CT abdomen; axial view; abdomen soft-tissue window; acquired on SOMATOM Force; scan has 15 labeled organs (counted over the whole 3D scan, not this slice; an organ is boxed only where this slice passes through it)
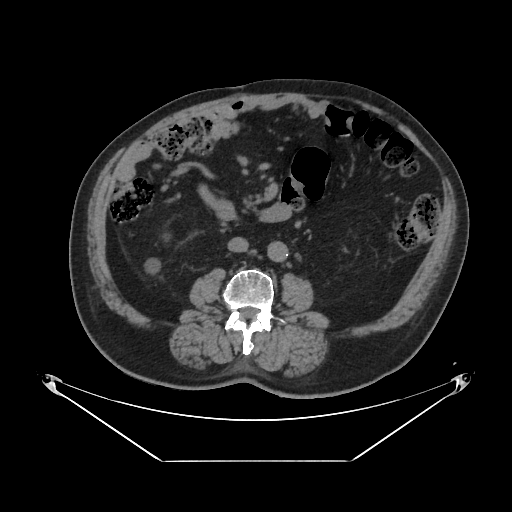

<organs><organ name="inferior vena cava" x1="227" y1="237" x2="248" y2="251"/><organ name="aorta" x1="268" y1="241" x2="288" y2="262"/><organ name="duodenum" x1="200" y1="188" x2="234" y2="219"/></organs>